CT, abdomen/pelvis · Axial slice 45/87 · soft-tissue window · acquired on Aquilion ONE · scan has 15 labeled organs (a whole-scan count: organs this slice does not pass through have no box)
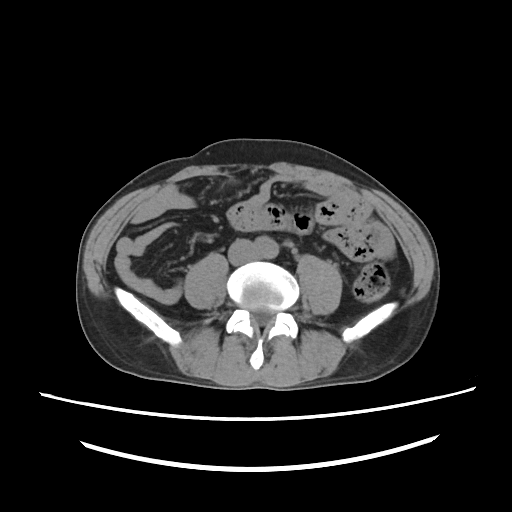
Boxes: x1:y1:x2:y2 in pixels.
aorta: 252:236:279:259
inferior vena cava: 228:238:256:265